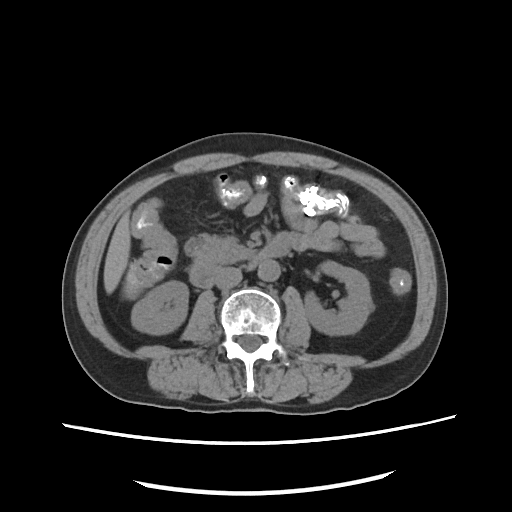 CT abdomen; axial view; soft-tissue window (W 400 / L 40); 512x512 px; 68-year-old male patient
<organs><organ name="pancreas" x1="205" y1="237" x2="258" y2="263"/><organ name="right kidney" x1="131" y1="281" x2="188" y2="334"/><organ name="aorta" x1="258" y1="260" x2="280" y2="281"/><organ name="inferior vena cava" x1="215" y1="267" x2="242" y2="289"/><organ name="duodenum" x1="189" y1="233" x2="290" y2="287"/><organ name="liver" x1="103" y1="212" x2="130" y2="293"/><organ name="left kidney" x1="304" y1="261" x2="372" y2="335"/></organs>